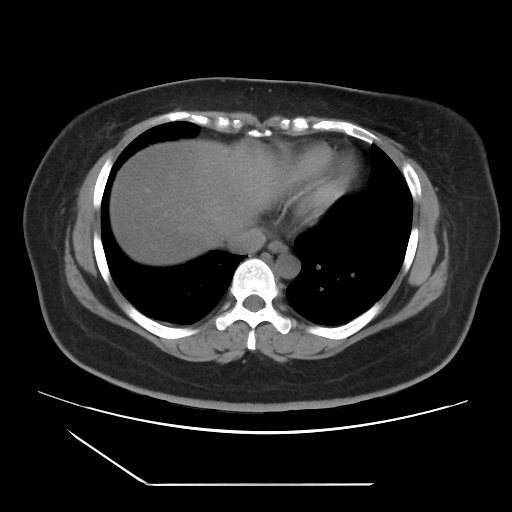

CT abdomen; Axial slice 83/88; soft-tissue window; acquired on SOMATOM Force
<organs><organ name="esophagus" x1="268" y1="240" x2="287" y2="253"/><organ name="liver" x1="110" y1="139" x2="288" y2="265"/><organ name="aorta" x1="275" y1="253" x2="299" y2="278"/><organ name="inferior vena cava" x1="227" y1="227" x2="265" y2="253"/></organs>